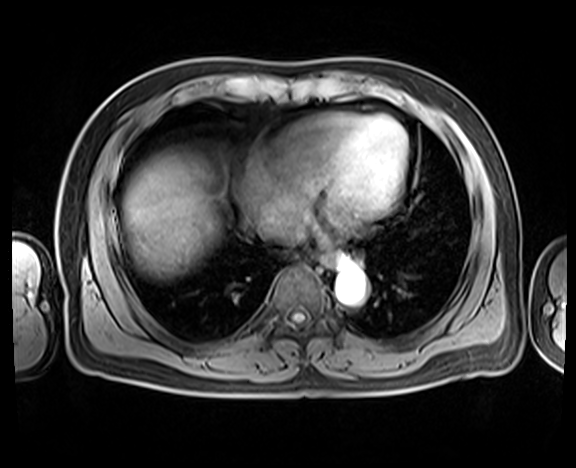 Abdominal MRI. axial view
Boxes: x1 y1 x2 y2 (pixel coords, space-separated). Labeled organs on this slice: esophagus at 313 251 346 269, liver at 123 151 219 276, aorta at 335 268 365 303, inferior vena cava at 261 218 303 244.